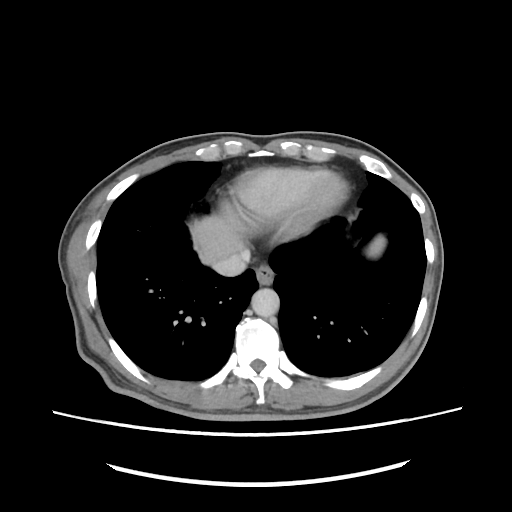

CT abdomen. axial plane, index 85
{"organs":{"esophagus":[255,264,273,284],"liver":[190,215,244,264],"aorta":[251,288,279,317],"inferior vena cava":[213,251,249,276]}}